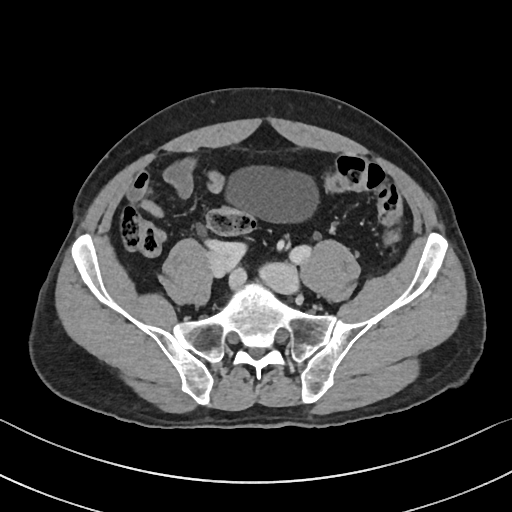

Abdominal CT — Axial slice 65/291 — soft-tissue window (W 400 / L 40)
Organ boxes in pixel coordinates; each row gives the top-left (x1, y1) and bottom-right (x2, y2) corners.
| organ | x1 | y1 | x2 | y2 |
|---|---|---|---|---|
| bladder | 223 | 166 | 320 | 223 |